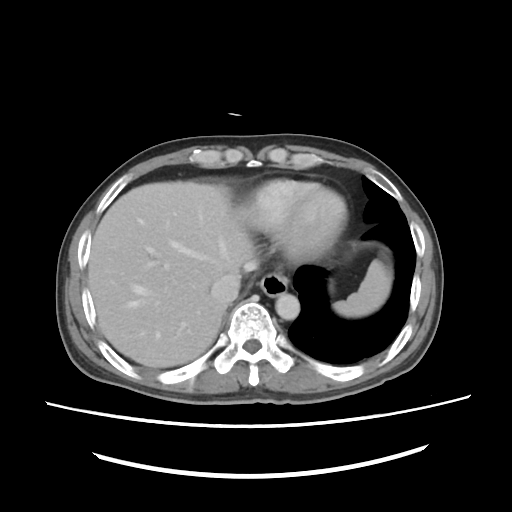

CT abdomen · axial view · acquired on Aquilion ONE
One row per box, in pixels: columns x1 and y1 give the top-left corner, x2 and y2 the bottom-right.
| organ | x1 | y1 | x2 | y2 |
|---|---|---|---|---|
| spleen | 332 | 259 | 390 | 317 |
| esophagus | 259 | 274 | 289 | 296 |
| liver | 88 | 180 | 304 | 367 |
| aorta | 274 | 292 | 300 | 319 |
| inferior vena cava | 211 | 272 | 241 | 302 |